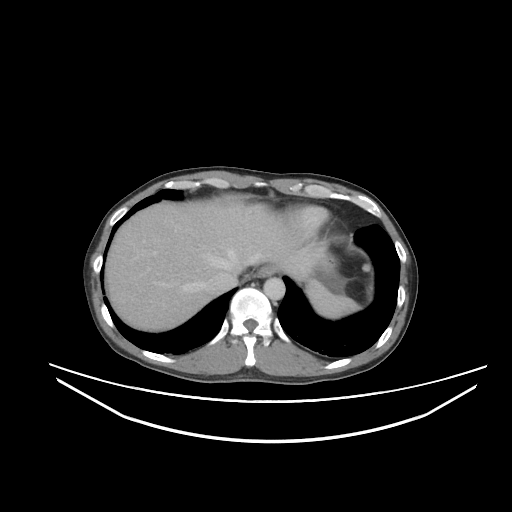 Computed tomography, abdomen · axial view · abdomen soft-tissue window · 512x512 px
Box edges are left/top/right/bottom in pixels. Labeled organs on this slice: aorta at left=263, top=277, right=285, bottom=300, spleen at left=305, top=279, right=360, bottom=318, esophagus at left=254, top=266, right=275, bottom=277, inferior vena cava at left=204, top=271, right=237, bottom=293, liver at left=105, top=200, right=325, bottom=331, stomach at left=312, top=253, right=343, bottom=286.